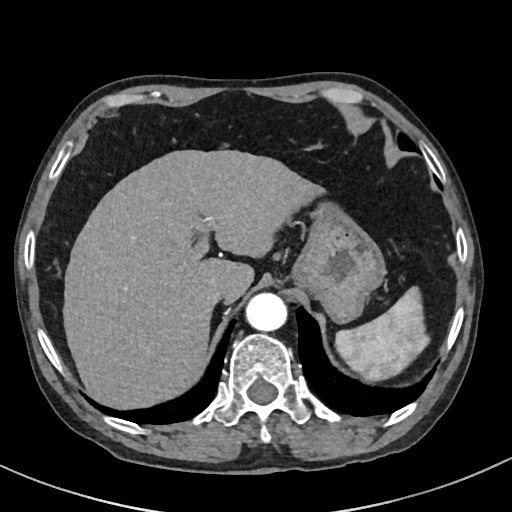 CT abdomen — axial view — abdomen soft-tissue window
{"organs":{"spleen":[337,287,427,380],"liver":[63,150,325,408],"stomach":[290,208,384,321],"aorta":[245,293,286,331],"inferior vena cava":[205,284,227,303]}}